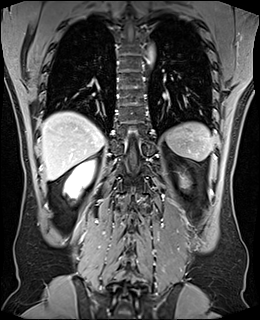 Magnetic resonance imaging, abdomen. coronal view. 13 organs annotated in this scan (counted over the whole 3D scan, not this slice; an organ is boxed only where this slice passes through it)
{"organs":{"spleen":[165,122,214,161],"right kidney":[64,160,94,198],"left kidney":[181,177,188,187],"liver":[41,112,104,179],"aorta":[146,46,154,64]}}